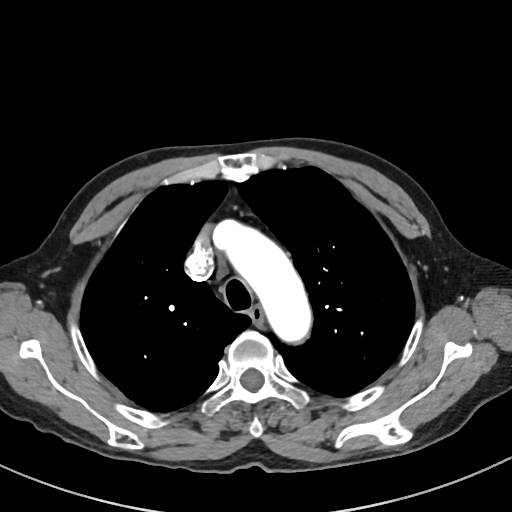

Chest-level CT slice, above the liver and spleen — axial plane, index 272 — soft-tissue window (W 400 / L 40) — 512x512 px
On a slice this high in the chest, this dataset labels only the esophagus and the aorta, and each is boxed only where it is labeled; the heart, lungs and other chest structures are not labeled.
Box edges are left/top/right/bottom in pixels.
esophagus: left=250, top=307, right=264, bottom=325
aorta: left=212, top=218, right=313, bottom=344